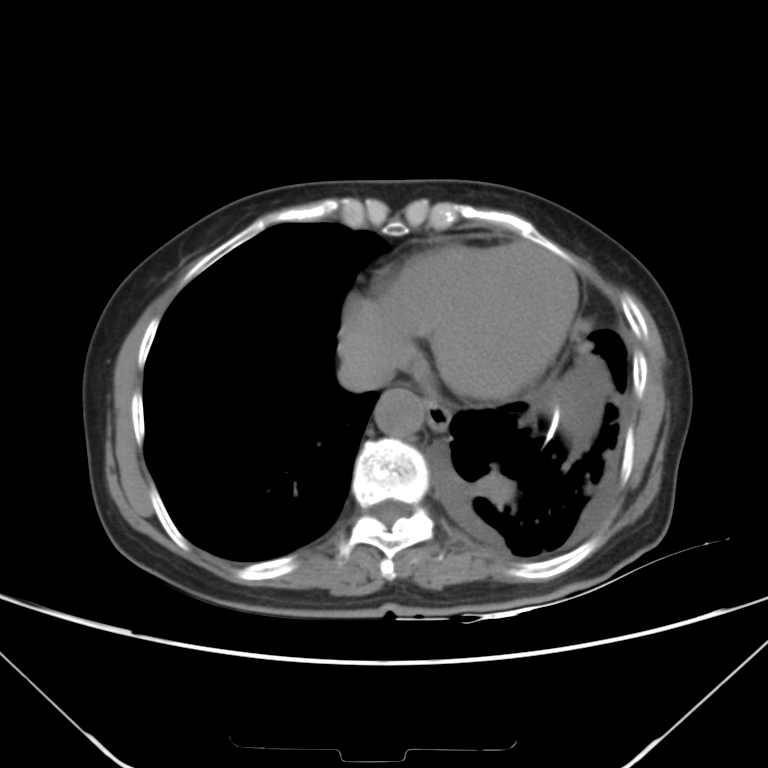

Abdominal CT. axial view. soft-tissue window. 768x768 px
One row per box, in pixels: columns x1 and y1 give the top-left corner, x2 and y2 the bottom-right.
| organ | x1 | y1 | x2 | y2 |
|---|---|---|---|---|
| esophagus | 426 | 400 | 451 | 432 |
| liver | 552 | 379 | 589 | 422 |
| aorta | 375 | 387 | 425 | 435 |
| inferior vena cava | 337 | 351 | 393 | 392 |